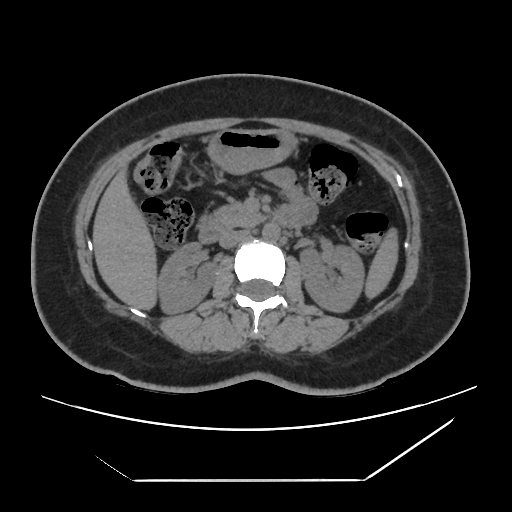
CT abdomen. axial view
<organs><organ name="spleen" x1="365" y1="228" x2="398" y2="298"/><organ name="right kidney" x1="157" y1="242" x2="216" y2="313"/><organ name="left kidney" x1="300" y1="245" x2="364" y2="312"/><organ name="liver" x1="93" y1="168" x2="157" y2="310"/><organ name="stomach" x1="207" y1="129" x2="296" y2="174"/><organ name="aorta" x1="262" y1="223" x2="279" y2="241"/><organ name="inferior vena cava" x1="219" y1="230" x2="248" y2="248"/><organ name="pancreas" x1="209" y1="201" x2="263" y2="229"/><organ name="duodenum" x1="198" y1="204" x2="303" y2="243"/></organs>